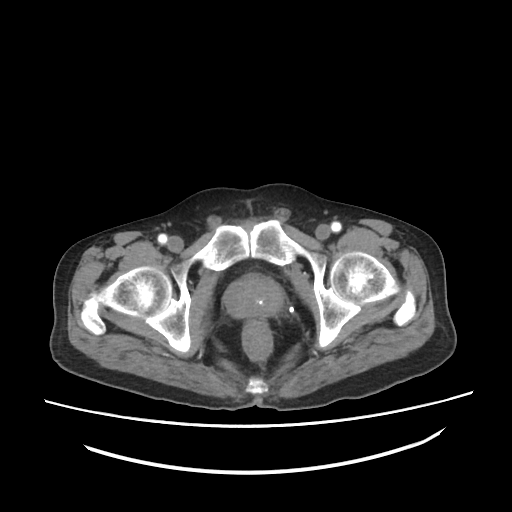
Computed tomography, abdomen; axial view; scan has 15 labeled organs (that count is for the whole scan; organs this slice misses have no box)
<organs><organ name="prostate/uterus" x1="224" y1="277" x2="282" y2="318"/></organs>